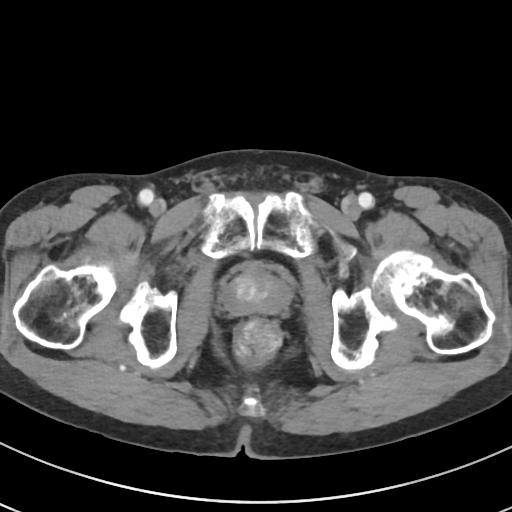 CT, abdomen/pelvis; axial view; abdomen soft-tissue window
Boxes are (x1, y1, x2, y2) in pixels. Labeled organs on this slice: prostate/uterus at (223, 266, 290, 314).